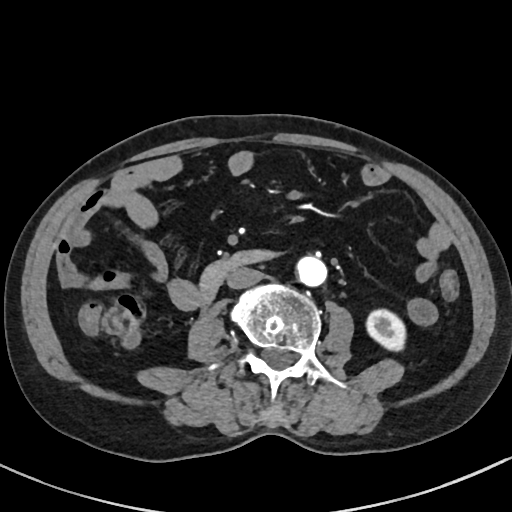

Computed tomography, abdomen; axial view; soft-tissue window; 15 organs annotated in this scan (that count is for the whole scan; organs this slice misses have no box)
Bounding boxes as [x1, y1, x2, y2] in pixel coordinates. Labeled organs on this slice: left kidney at [365, 308, 405, 352], aorta at [294, 255, 326, 286], inferior vena cava at [226, 266, 263, 288], duodenum at [200, 250, 274, 304].